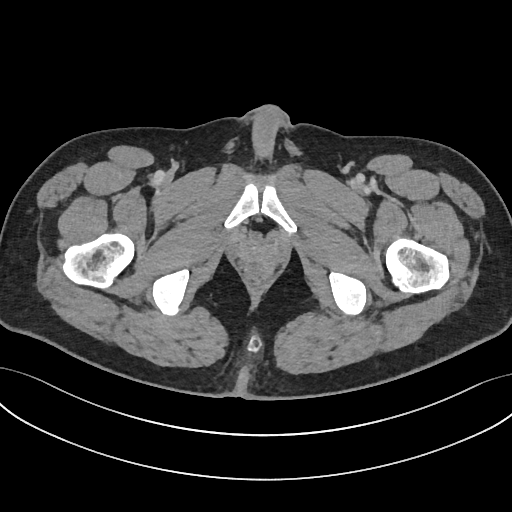 Computed tomography, abdomen; axial plane, index 15
{"organs":{"prostate/uterus":[240,244,272,271]}}